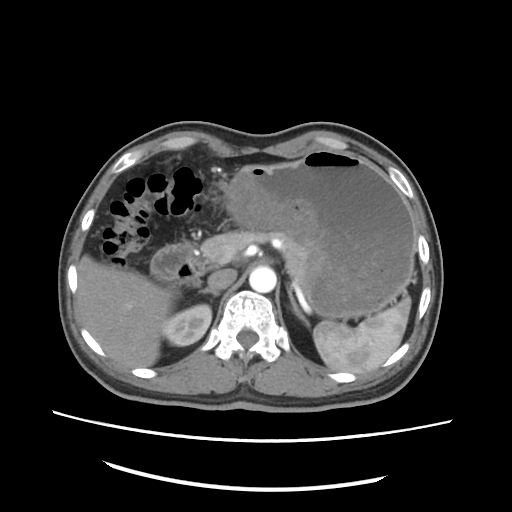

CT abdomen; axial view; 54-year-old male patient
<organs><organ name="stomach" x1="227" y1="149" x2="414" y2="320"/><organ name="liver" x1="78" y1="254" x2="176" y2="367"/><organ name="aorta" x1="249" y1="267" x2="276" y2="292"/><organ name="inferior vena cava" x1="207" y1="269" x2="236" y2="290"/><organ name="left adrenal gland" x1="286" y1="284" x2="309" y2="324"/><organ name="pancreas" x1="200" y1="232" x2="306" y2="288"/><organ name="duodenum" x1="151" y1="244" x2="205" y2="284"/><organ name="right kidney" x1="162" y1="303" x2="212" y2="347"/><organ name="spleen" x1="312" y1="299" x2="411" y2="373"/><organ name="right adrenal gland" x1="202" y1="288" x2="218" y2="296"/></organs>